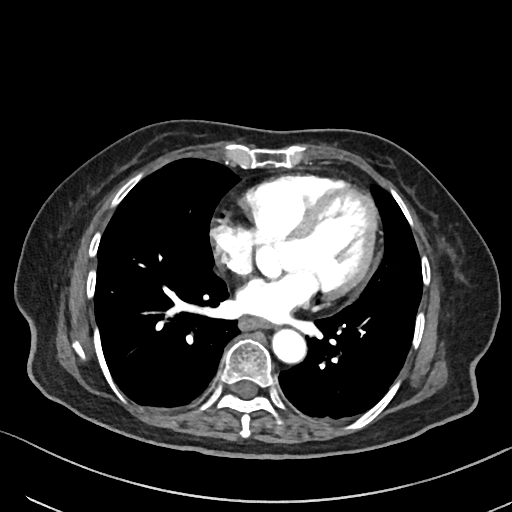

Lower-chest slice from an abdominal CT, just above the liver and spleen — axial view — W/L 400/40 HU
The heart and lungs are never labeled in this dataset, so they have no box on this slice. Each box given as x1,y1,x2,y2. 2 labeled organs on this slice — esophagus at x1=240, y1=317, x2=270, y2=329; aorta at x1=273, y1=330, x2=307, y2=364.